CT of the abdomen extending into the chest, slice through the chest. axial view. W/L 400/40 HU. 512x512 px. 58-year-old male patient
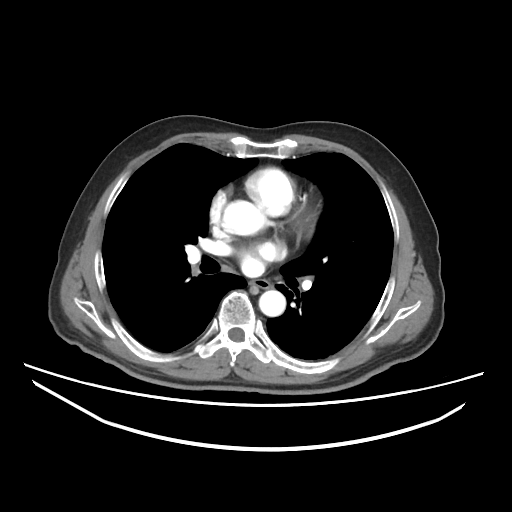 At this level of the chest no structure but the esophagus and the aorta has a label in this dataset, and those two are boxed only where they are labeled.
{"organs":{"esophagus":[252,279,268,287],"aorta":[[223,200,265,235],[259,290,285,316]]}}